Computed tomography, abdomen — axial view — 512x512 px
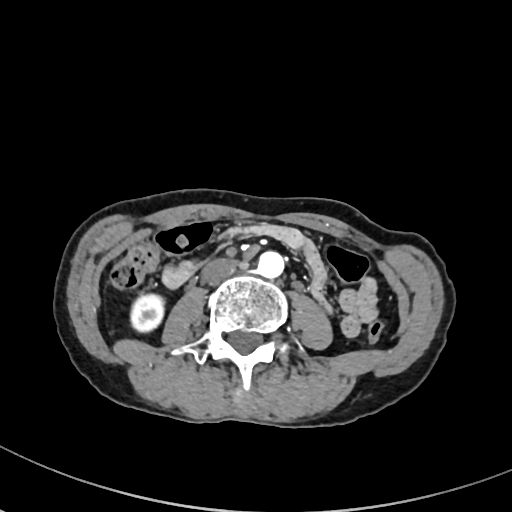

<organs><organ name="right kidney" x1="130" y1="294" x2="166" y2="333"/><organ name="aorta" x1="257" y1="251" x2="284" y2="279"/><organ name="inferior vena cava" x1="201" y1="259" x2="235" y2="283"/></organs>